CT abdomen · axial view · W/L 400/40 HU · 71-year-old female patient
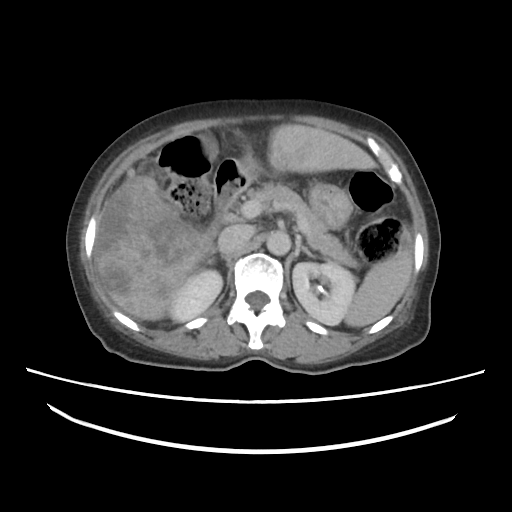

<organs><organ name="stomach" x1="232" y1="158" x2="353" y2="229"/><organ name="right adrenal gland" x1="204" y1="254" x2="229" y2="266"/><organ name="duodenum" x1="213" y1="157" x2="246" y2="213"/><organ name="spleen" x1="343" y1="229" x2="413" y2="327"/><organ name="liver" x1="94" y1="125" x2="378" y2="320"/><organ name="left adrenal gland" x1="295" y1="236" x2="315" y2="258"/><organ name="pancreas" x1="247" y1="183" x2="357" y2="265"/><organ name="gall bladder" x1="203" y1="137" x2="217" y2="157"/><organ name="left kidney" x1="293" y1="259" x2="355" y2="325"/><organ name="aorta" x1="264" y1="230" x2="290" y2="254"/><organ name="inferior vena cava" x1="218" y1="225" x2="250" y2="253"/><organ name="right kidney" x1="172" y1="269" x2="223" y2="322"/></organs>